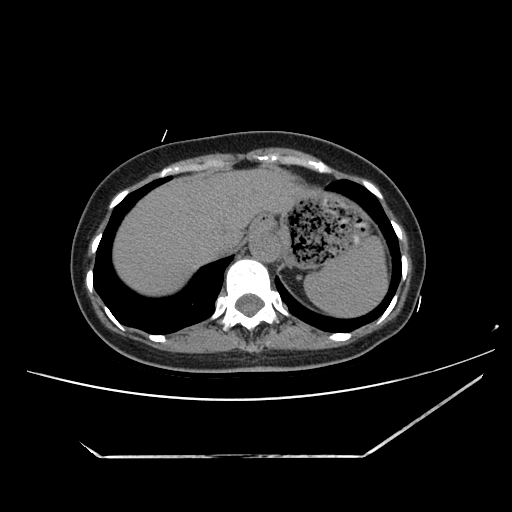 CT, abdomen/pelvis — axial view — scan has 14 labeled organs (that count is for the whole scan; organs this slice misses have no box)
Coordinates as <box>x1,y1,x2,y2</box> in pixels.
spleen: <box>304,237,388,316</box>
esophagus: <box>252,212,277,232</box>
liver: <box>113,168,312,295</box>
stomach: <box>277,191,368,268</box>
aorta: <box>249,231,280,261</box>
inferior vena cava: <box>206,233,240,258</box>